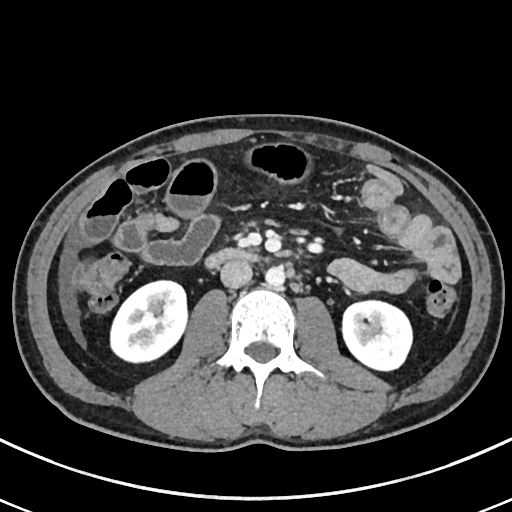
CT abdomen; axial view; abdomen soft-tissue window; 512x512 px
Bounding boxes in pixels, one row per box: x1, y1 is the top-left corner and x2, y2 the bottom-right.
| organ | x1 | y1 | x2 | y2 |
|---|---|---|---|---|
| right kidney | 109 | 281 | 189 | 364 |
| left kidney | 342 | 300 | 412 | 371 |
| aorta | 265 | 266 | 285 | 287 |
| inferior vena cava | 220 | 260 | 252 | 288 |
| duodenum | 204 | 247 | 261 | 268 |